CT abdomen. Axial slice 38/191
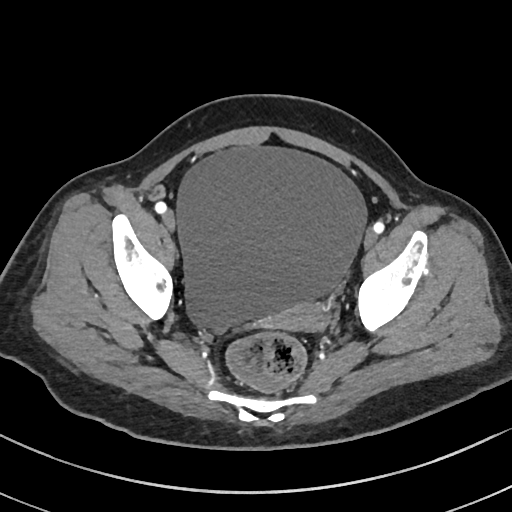 Bounding boxes in pixels, one row per box: x1, y1 is the top-left corner and x2, y2 the bottom-right.
| organ | x1 | y1 | x2 | y2 |
|---|---|---|---|---|
| prostate/uterus | 272 | 305 | 327 | 329 |
| bladder | 177 | 146 | 367 | 327 |